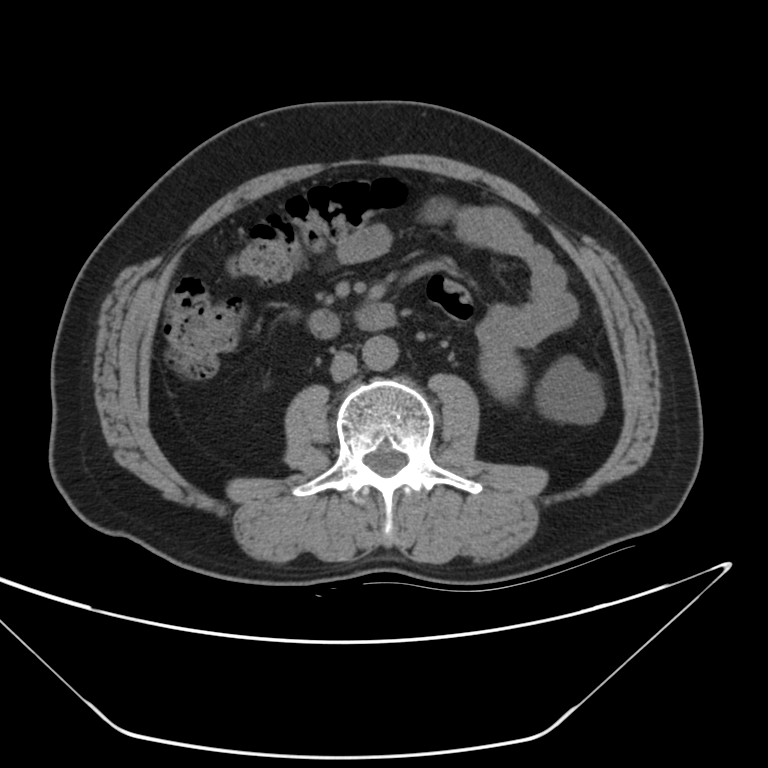 CT, abdomen/pelvis · axial plane, index 54 · W/L 400/40 HU · acquired on Brilliance16
{"organs":{"aorta":[363,336,399,370],"duodenum":[310,303,395,338],"inferior vena cava":[332,353,357,382],"left kidney":[478,341,603,421]}}